CT abdomen · axial plane, index 109 · 15 organs annotated in this scan (that count is for the whole scan; organs this slice misses have no box)
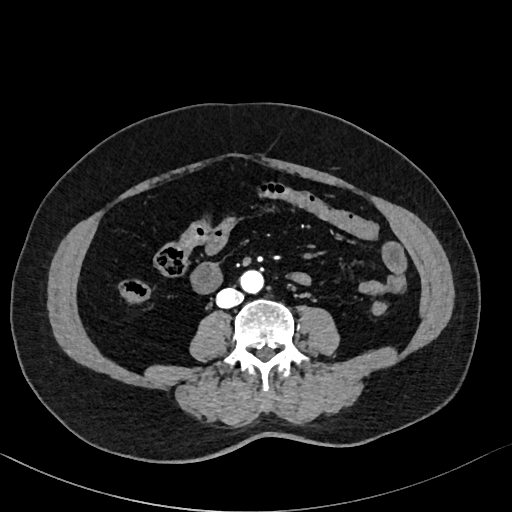 Boxes: x1:y1:x2:y2 in pixels.
inferior vena cava: 216:288:242:308
aorta: 239:270:263:293